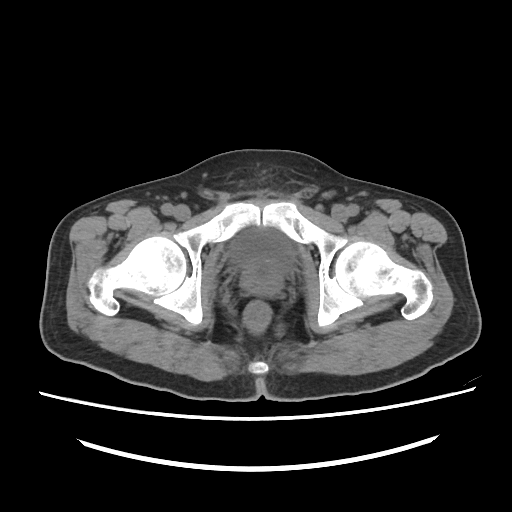 Abdominal CT — axial view — W/L 400/40 HU — 512x512 px
Box edges are left/top/right/bottom in pixels.
bladder: left=232, top=229, right=291, bottom=273
prostate/uterus: left=240, top=265, right=282, bottom=295